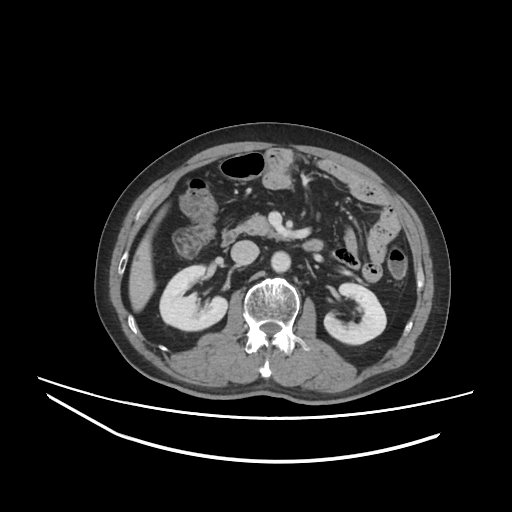 CT abdomen. axial view. soft-tissue window (W 400 / L 40). 512x512 px. 54-year-old male patient
Bounding boxes as [x1, y1, x2, y2] in pixel coordinates.
Organ bounding boxes:
- right kidney: [159, 265, 227, 330]
- left kidney: [324, 283, 386, 344]
- liver: [129, 205, 167, 311]
- aorta: [271, 251, 290, 272]
- inferior vena cava: [230, 240, 259, 264]
- pancreas: [237, 214, 281, 239]
- duodenum: [222, 229, 322, 250]